Abdominal CT · Axial slice 55/102
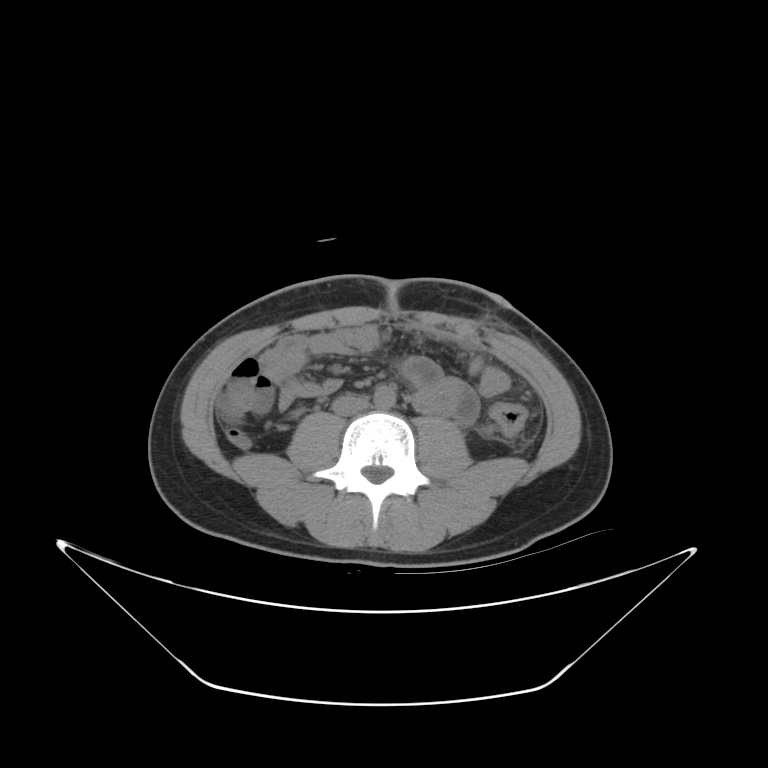
<organs><organ name="inferior vena cava" x1="333" y1="395" x2="367" y2="417"/><organ name="aorta" x1="373" y1="386" x2="394" y2="407"/></organs>